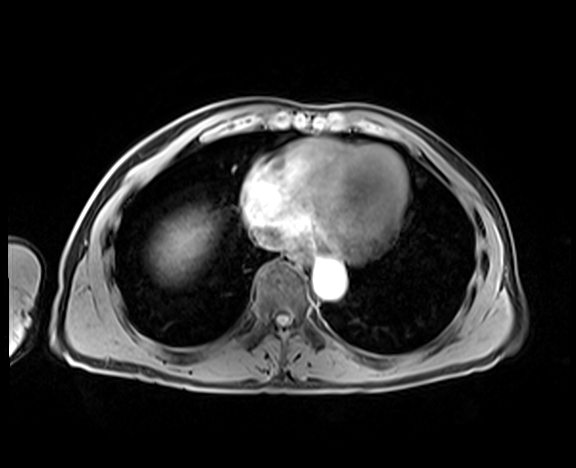 Magnetic resonance imaging, abdomen. Axial slice 63/72. 576x468 px
Box edges are left/top/right/bottom in pixels.
esophagus: left=286, top=253, right=310, bottom=267
liver: left=147, top=204, right=222, bottom=286
aorta: left=313, top=260, right=345, bottom=299
inferior vena cava: left=256, top=230, right=285, bottom=250